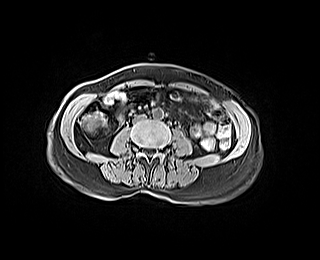 MRI, abdomen · Axial slice 15/72 · 1st–99th percentile window
One row per box, in pixels: columns x1 and y1 give the top-left corner, x2 and y2 the bottom-right.
| organ | x1 | y1 | x2 | y2 |
|---|---|---|---|---|
| inferior vena cava | 133 | 114 | 145 | 121 |
| aorta | 152 | 108 | 163 | 119 |